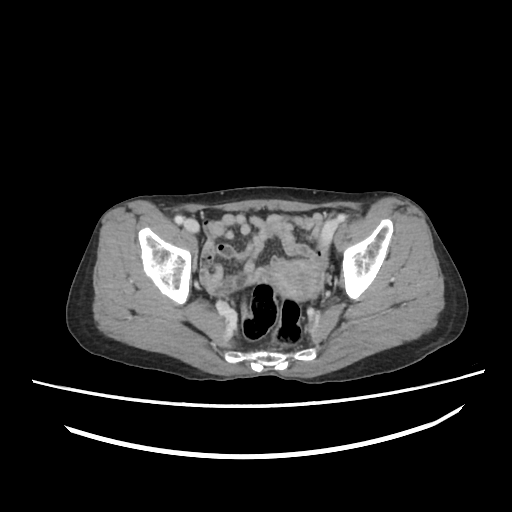
Computed tomography, abdomen · axial plane, index 18 · acquired on Aquilion ONE
Bounding boxes in pixels, one row per box: x1, y1 is the top-left corner and x2, y2 the bottom-right.
| organ | x1 | y1 | x2 | y2 |
|---|---|---|---|---|
| prostate/uterus | 269 | 258 | 320 | 301 |